CT, abdomen/pelvis; axial view; 512x512 px; scan has 15 labeled organs (counted over the whole 3D scan, not this slice; an organ is boxed only where this slice passes through it)
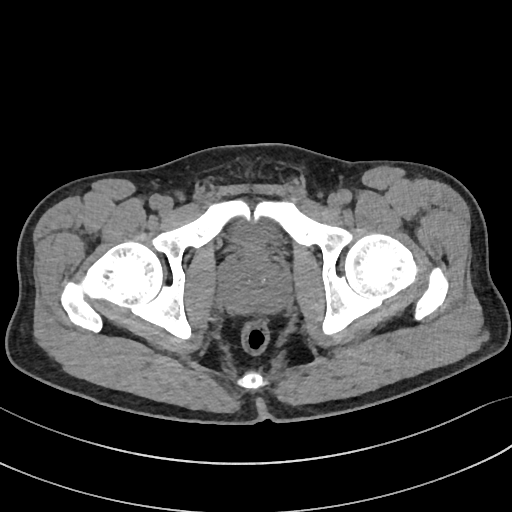

<organs><organ name="bladder" x1="232" y1="220" x2="269" y2="244"/><organ name="prostate/uterus" x1="222" y1="252" x2="288" y2="312"/></organs>